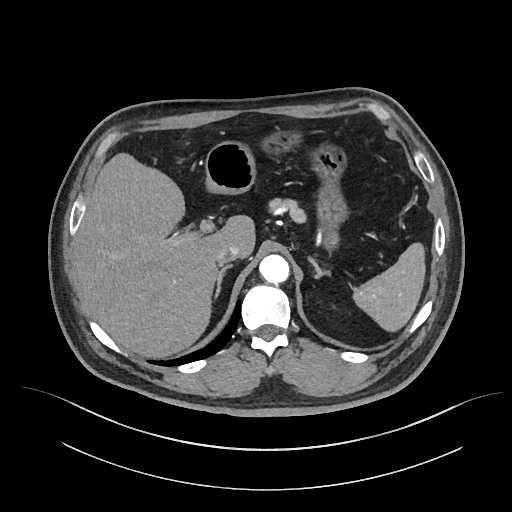

CT, abdomen/pelvis · Axial slice 197/333 · W/L 400/40 HU
Boxes: x1 y1 x2 y2 (pixel coords, space-separated). Labeled organs on this slice: spleen at 353 242 425 331, liver at 75 153 255 357, stomach at 205 129 349 252, aorta at 259 254 289 283, inferior vena cava at 216 245 239 264, pancreas at 269 198 305 220, right adrenal gland at 214 264 232 298, left adrenal gland at 309 258 329 278.